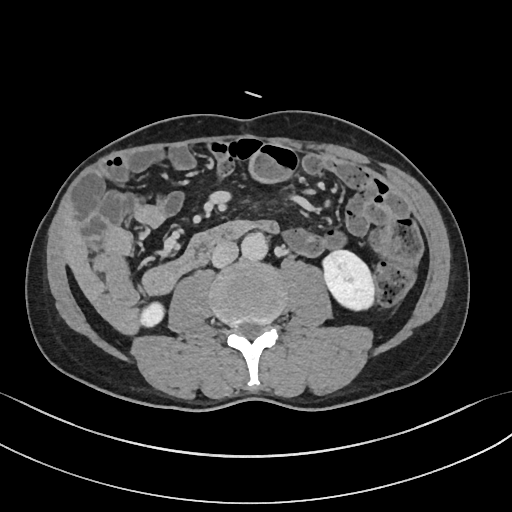 CT abdomen. axial view. acquired on SOMATOM Force. scan has 14 labeled organs (a whole-scan count: organs this slice does not pass through have no box)
Box edges are left/top/right/bottom in pixels. The annotated organs in this slice are: left kidney at left=320, top=249, right=374, bottom=309, inferior vena cava at left=212, top=241, right=238, bottom=267, aorta at left=241, top=233, right=268, bottom=261, right kidney at left=138, top=300, right=165, bottom=328.